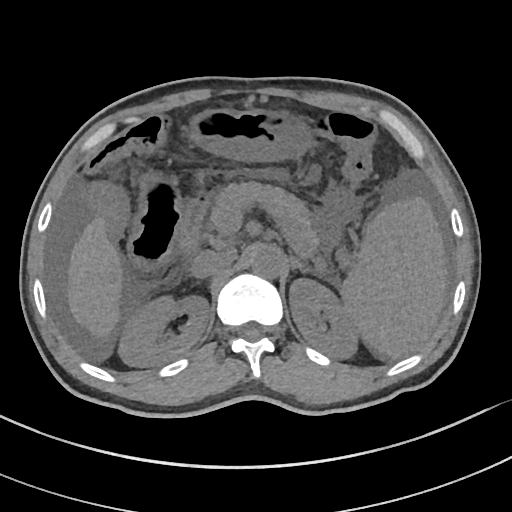 Abdominal CT · axial view · acquired on SOMATOM Force
<organs><organ name="liver" x1="67" y1="217" x2="123" y2="338"/><organ name="left adrenal gland" x1="291" y1="256" x2="318" y2="276"/><organ name="stomach" x1="188" y1="108" x2="310" y2="160"/><organ name="duodenum" x1="177" y1="189" x2="213" y2="250"/><organ name="pancreas" x1="210" y1="183" x2="318" y2="249"/><organ name="inferior vena cava" x1="191" y1="250" x2="235" y2="278"/><organ name="left kidney" x1="290" y1="280" x2="359" y2="358"/><organ name="right kidney" x1="120" y1="295" x2="209" y2="366"/><organ name="spleen" x1="339" y1="198" x2="446" y2="357"/><organ name="aorta" x1="251" y1="246" x2="284" y2="279"/></organs>